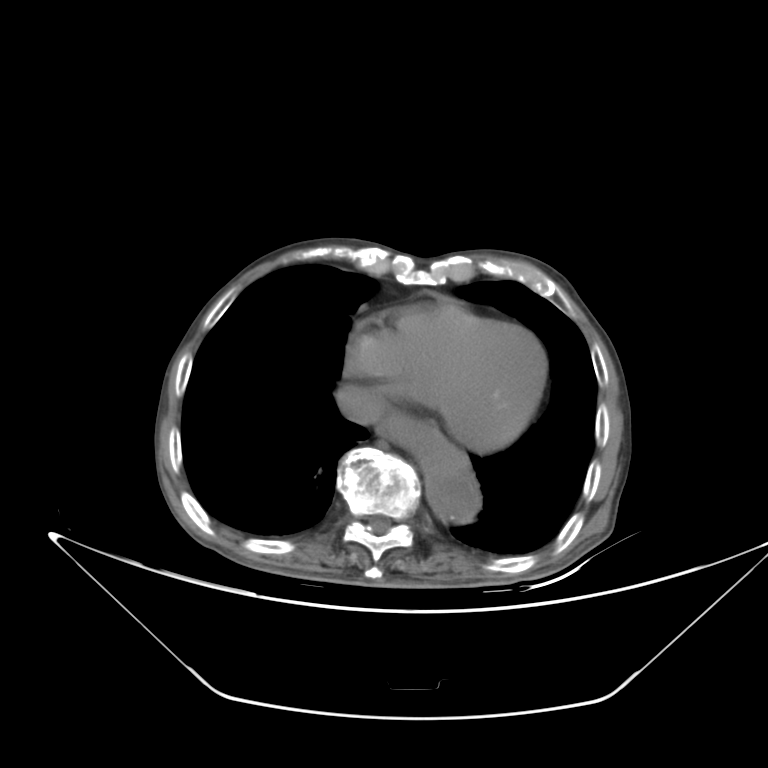
Lower-chest slice from an abdominal CT, just above the liver and spleen · axial view · soft-tissue window, W/L 400/40
No part of the heart or lungs is labeled in this dataset, so neither has a box here.
{"organs":{"esophagus":[373,412,405,449],"aorta":[392,413,481,525],"inferior vena cava":[338,388,381,426]}}